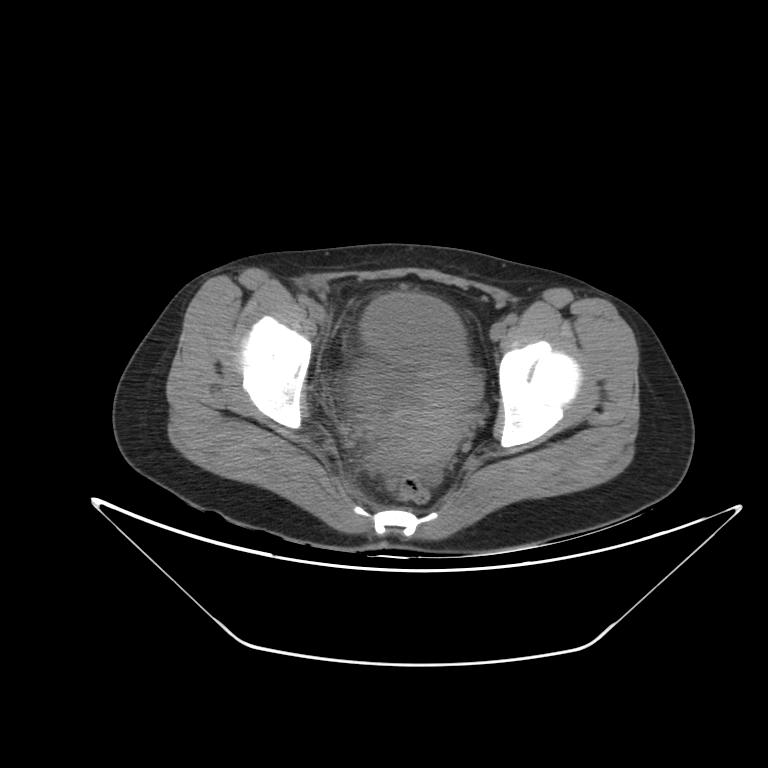 CT, abdomen/pelvis · Axial slice 21/83 · soft-tissue window · 768x768 px · 38-year-old female patient
<organs><organ name="prostate/uterus" x1="385" y1="372" x2="477" y2="464"/><organ name="bladder" x1="360" y1="293" x2="467" y2="378"/></organs>